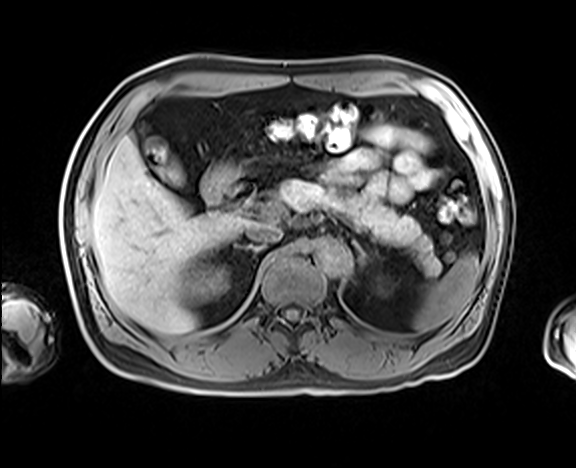

Abdominal MRI. axial view
Bounding boxes as [x1, y1, x2, y2] in pixel coordinates.
spleen: [413, 253, 480, 331]
right kidney: [184, 267, 225, 300]
left kidney: [377, 280, 387, 293]
gall bladder: [146, 136, 186, 185]
liver: [92, 137, 251, 333]
stomach: [200, 160, 240, 196]
aorta: [315, 239, 351, 275]
inferior vena cava: [246, 225, 282, 243]
pancreas: [275, 180, 440, 274]
right adrenal gland: [235, 244, 262, 252]
left adrenal gland: [352, 240, 369, 266]
duodenum: [204, 182, 255, 212]